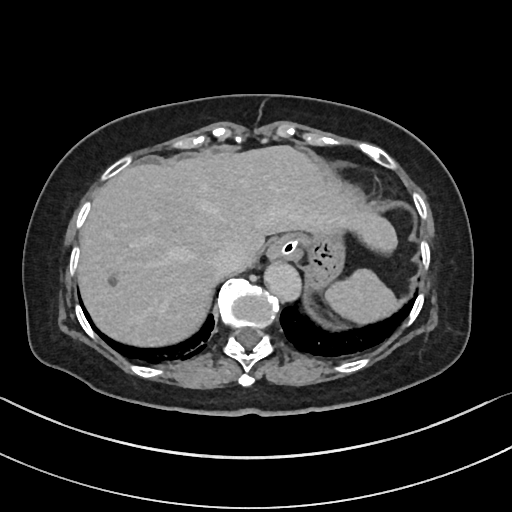

Computed tomography, abdomen. axial view
{"organs":{"spleen":[325,269,396,324],"esophagus":[266,232,298,261],"liver":[78,146,397,345],"stomach":[282,234,342,285],"aorta":[265,262,301,302],"inferior vena cava":[213,244,244,272]}}